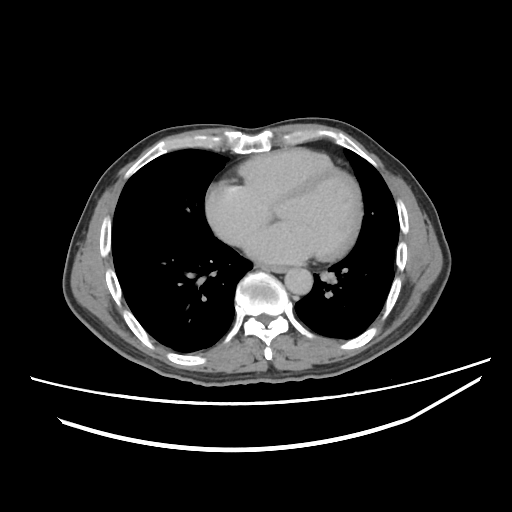

Lower-chest slice from an abdominal CT, just above the liver and spleen — Axial slice 104/104 — Aquilion ONE scanner
No part of the heart or lungs is labeled in this dataset, so neither has a box here.
{"organs":{"esophagus":[257,264,288,272],"aorta":[284,268,312,295],"inferior vena cava":[223,229,253,247]}}